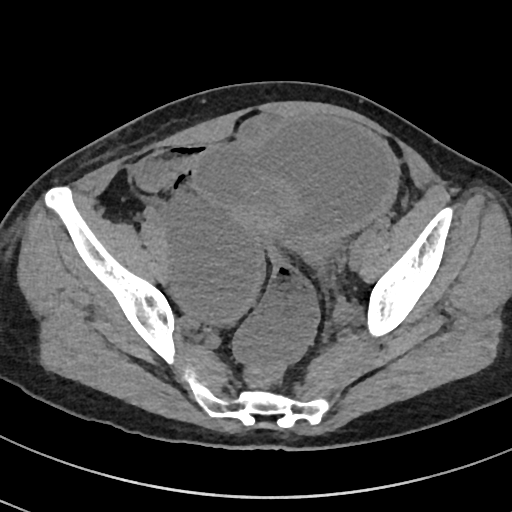 CT, abdomen/pelvis · axial view · soft-tissue window (W 400 / L 40) · 512x512 px
<organs><organ name="prostate/uterus" x1="240" y1="206" x2="282" y2="241"/></organs>